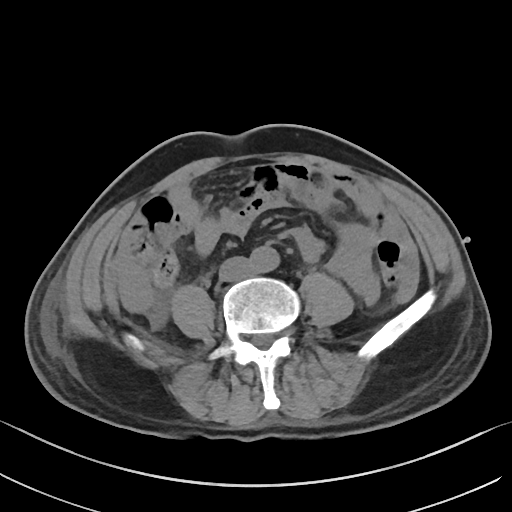

Computed tomography, abdomen; axial view; abdomen soft-tissue window; SOMATOM Force scanner
{"organs":{"aorta":[248,246,279,272],"inferior vena cava":[218,256,252,281]}}